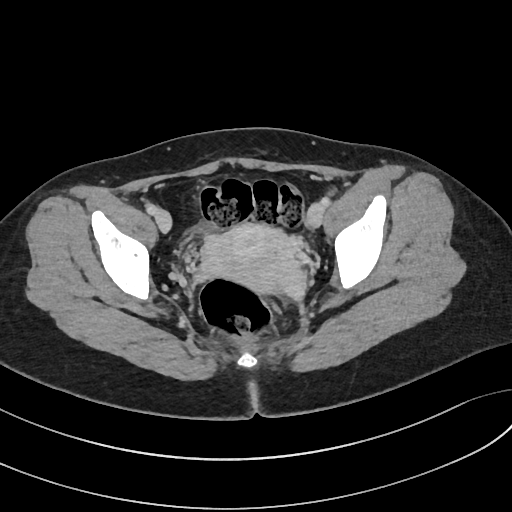

Abdominal CT. Axial slice 48/219. soft-tissue window (W 400 / L 40). 512x512 px. acquired on SOMATOM Force
{"organs":{"prostate/uterus":[204,224,299,294]}}